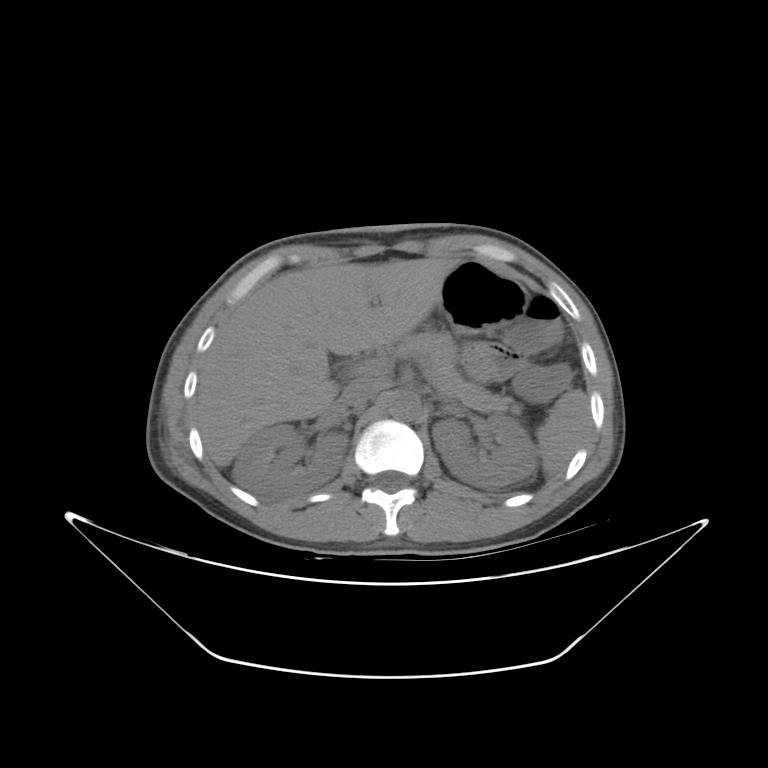 CT, abdomen/pelvis · axial view · W/L 400/40 HU · 39-year-old male patient · scan has 15 labeled organs (that count is for the whole scan; organs this slice misses have no box)
Bounding boxes in pixels, one row per box: x1, y1 is the top-left corner and x2, y2 the bottom-right.
| organ | x1 | y1 | x2 | y2 |
|---|---|---|---|---|
| spleen | 536 | 389 | 590 | 475 |
| right kidney | 232 | 424 | 347 | 499 |
| left kidney | 432 | 414 | 536 | 489 |
| liver | 196 | 257 | 460 | 466 |
| stomach | 438 | 260 | 527 | 334 |
| aorta | 389 | 391 | 421 | 420 |
| inferior vena cava | 338 | 379 | 382 | 407 |
| pancreas | 400 | 331 | 522 | 414 |
| left adrenal gland | 429 | 393 | 453 | 403 |